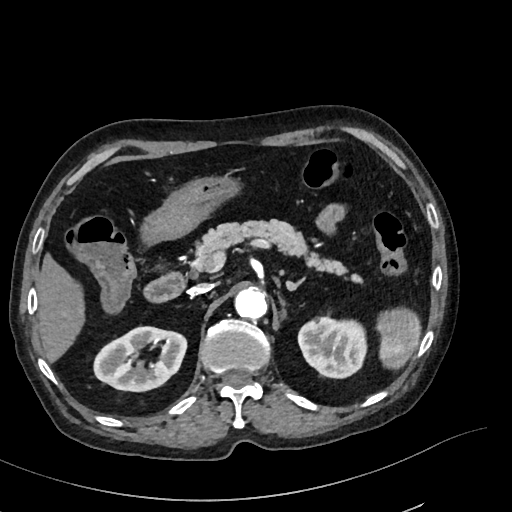

Abdominal CT · axial view · acquired on SOMATOM Force
Organ boxes in pixel coordinates; each row gives the top-left (x1, y1) and bottom-right (x2, y2) corners.
| organ | x1 | y1 | x2 | y2 |
|---|---|---|---|---|
| inferior vena cava | 188 | 284 | 211 | 296 |
| left kidney | 298 | 316 | 366 | 377 |
| pancreas | 197 | 220 | 363 | 282 |
| duodenum | 146 | 271 | 186 | 301 |
| spleen | 377 | 310 | 421 | 369 |
| right kidney | 95 | 327 | 187 | 390 |
| stomach | 142 | 176 | 236 | 246 |
| liver | 36 | 251 | 84 | 364 |
| left adrenal gland | 286 | 277 | 305 | 291 |
| aorta | 234 | 287 | 268 | 320 |